CT abdomen · axial view · 512x512 px · 14 organs annotated in this scan (that count is for the whole scan; organs this slice misses have no box)
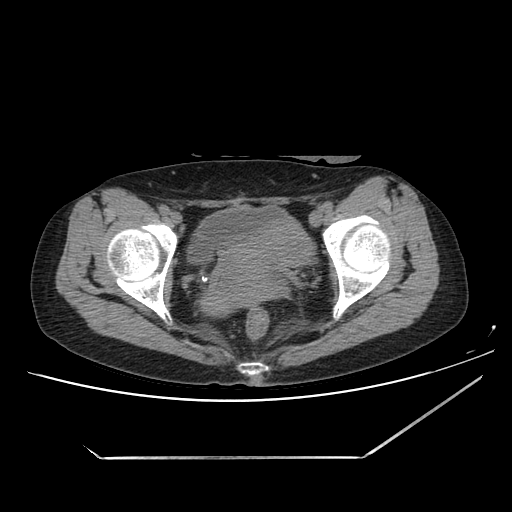
Each box given as x1,y1,x2,y2.
Organ bounding boxes:
- bladder: x1=187, y1=206, x2=289, y2=265
- prostate/uterus: x1=201, y1=220, x2=315, y2=313